CT of the abdomen reaching into the lower chest, slice just above the liver and spleen. axial view
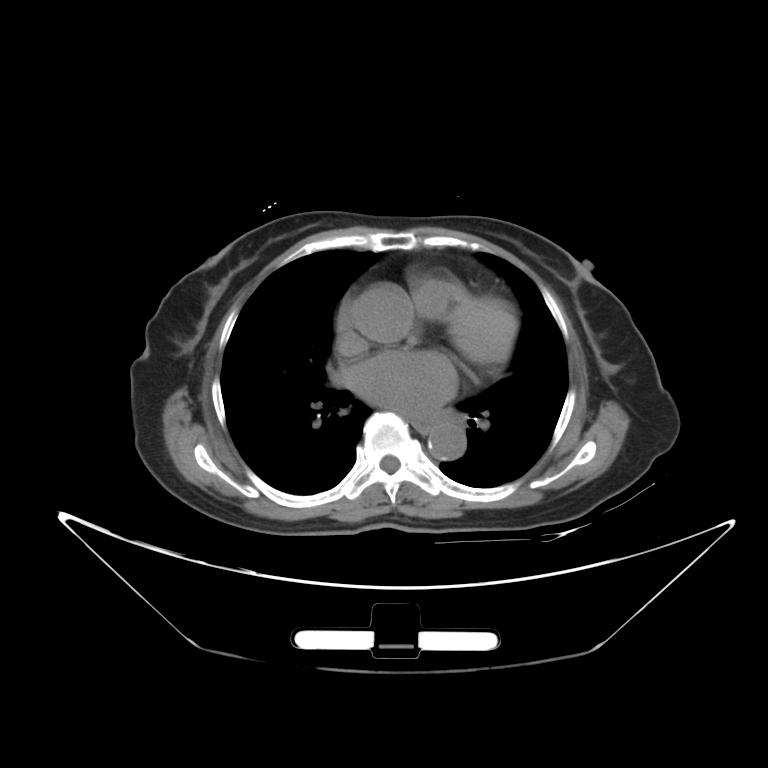
Of the structures in the chest, this dataset labels only the esophagus, the aorta and the inferior vena cava; the heart and lungs have no label.
{"organs":{"esophagus":[409,420,429,433],"aorta":[428,423,466,460]}}